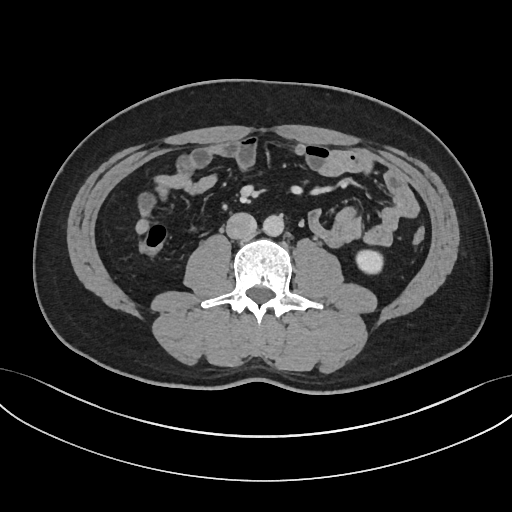

CT abdomen. axial view. abdomen soft-tissue window
Bounding boxes as [x1, y1, x2, y2] in pixel coordinates. Labeled organs on this slice: left kidney at [357, 250, 384, 273], aorta at [263, 215, 284, 236], inferior vena cava at [225, 212, 256, 239].